Lower-chest slice from an abdominal CT, just above the liver and spleen — axial view — acquired on SOMATOM Force
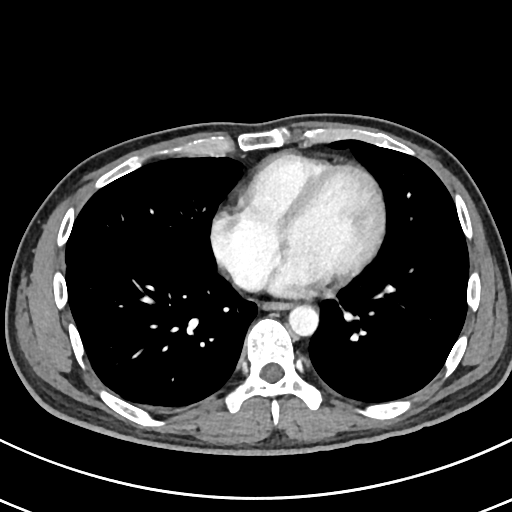
Of the structures in the chest, this dataset labels only the esophagus, the aorta and the inferior vena cava; the heart and lungs have no label.
{"organs":{"esophagus":[264,301,290,309],"aorta":[288,305,318,335],"inferior vena cava":[234,272,264,291]}}